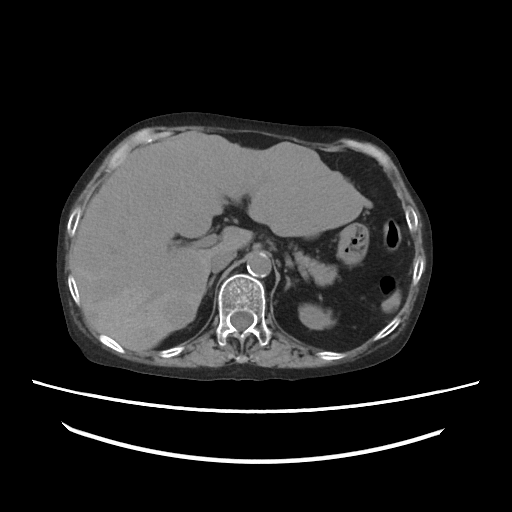 Computed tomography, abdomen; axial plane, index 66; abdomen soft-tissue window; 512x512 px; 61-year-old female patient
<organs><organ name="left kidney" x1="299" y1="304" x2="333" y2="329"/><organ name="liver" x1="70" y1="132" x2="371" y2="352"/><organ name="stomach" x1="337" y1="223" x2="368" y2="264"/><organ name="aorta" x1="247" y1="252" x2="271" y2="276"/><organ name="inferior vena cava" x1="209" y1="248" x2="236" y2="272"/><organ name="pancreas" x1="293" y1="251" x2="337" y2="285"/><organ name="right adrenal gland" x1="206" y1="276" x2="215" y2="289"/><organ name="left adrenal gland" x1="285" y1="276" x2="291" y2="289"/></organs>